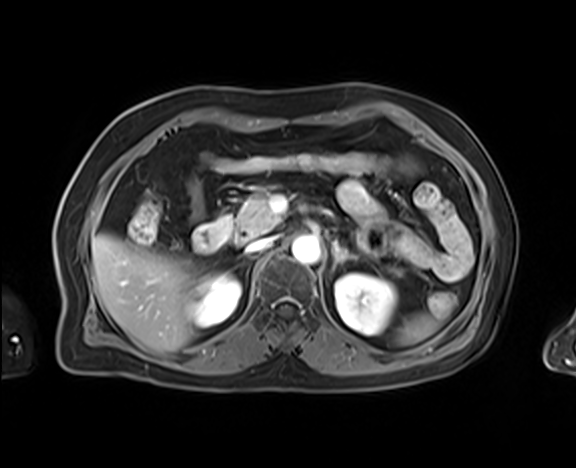

Magnetic resonance imaging, abdomen; axial plane, index 33; 1st–99th percentile window; 576x468 px
<organs><organ name="duodenum" x1="193" y1="213" x2="239" y2="252"/><organ name="pancreas" x1="233" y1="194" x2="400" y2="276"/><organ name="right kidney" x1="187" y1="273" x2="241" y2="327"/><organ name="spleen" x1="396" y1="313" x2="438" y2="344"/><organ name="inferior vena cava" x1="246" y1="237" x2="273" y2="252"/><organ name="left kidney" x1="335" y1="273" x2="396" y2="334"/><organ name="right adrenal gland" x1="236" y1="254" x2="256" y2="287"/><organ name="aorta" x1="291" y1="235" x2="320" y2="264"/><organ name="left adrenal gland" x1="332" y1="242" x2="357" y2="271"/><organ name="liver" x1="92" y1="234" x2="197" y2="351"/></organs>